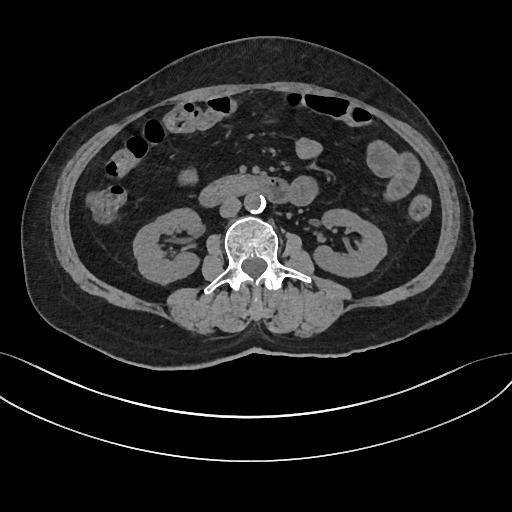
Computed tomography, abdomen · axial plane, index 117 · 512x512 px
Bounding boxes in pixels, one row per box: x1, y1 is the top-left corner and x2, y2 the bottom-right.
| organ | x1 | y1 | x2 | y2 |
|---|---|---|---|---|
| right kidney | 133 | 209 | 200 | 284 |
| left kidney | 312 | 210 | 387 | 278 |
| aorta | 244 | 194 | 265 | 213 |
| inferior vena cava | 220 | 197 | 241 | 218 |
| duodenum | 198 | 175 | 288 | 206 |